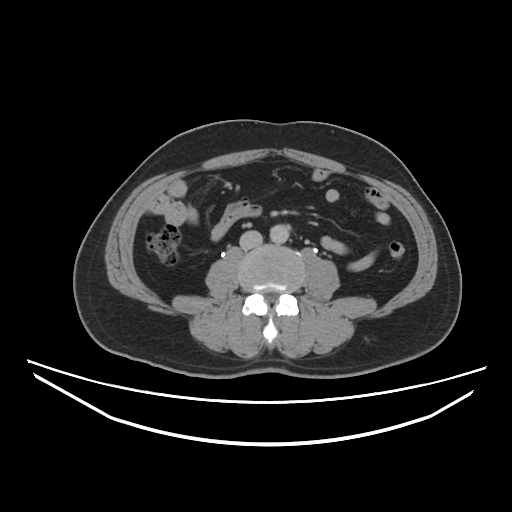 Computed tomography, abdomen; Axial slice 64/115; scan has 15 labeled organs (that count is for the whole scan; organs this slice misses have no box)
{"organs":{"inferior vena cava":[239,229,261,249],"aorta":[270,223,287,243]}}